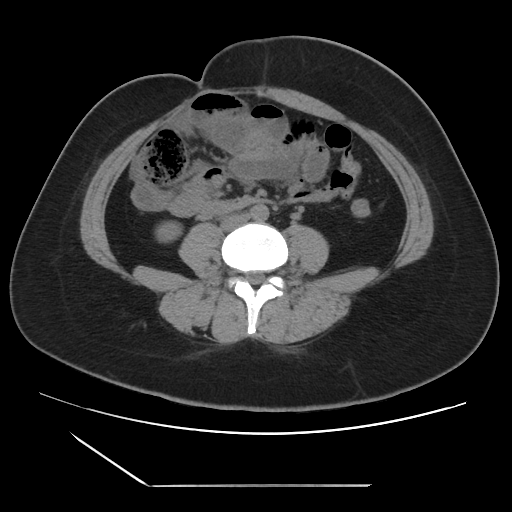

Computed tomography, abdomen — axial view — 512x512 px — 15 organs annotated in this scan (counted over the whole 3D scan, not this slice; an organ is boxed only where this slice passes through it)
One row per box, in pixels: columns x1 and y1 give the top-left corner, x2 and y2 the bottom-right.
| organ | x1 | y1 | x2 | y2 |
|---|---|---|---|---|
| inferior vena cava | 221 | 214 | 249 | 230 |
| right kidney | 155 | 221 | 181 | 242 |
| aorta | 250 | 204 | 268 | 220 |